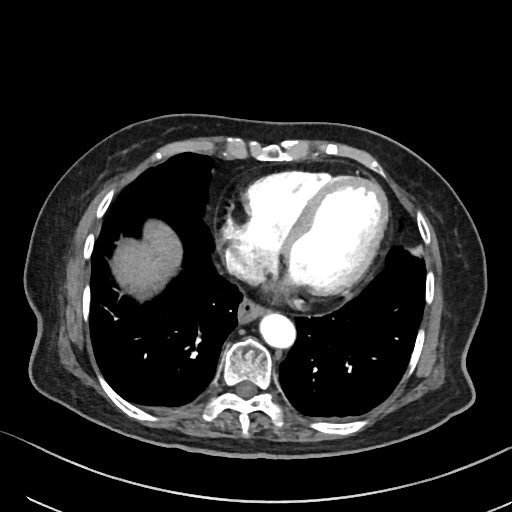
CT abdomen. axial plane, index 212. W/L 400/40 HU
Boxes: x1 y1 x2 y2 (pixel coords, space-separated).
esophagus: 237 301 264 324
liver: 114 222 180 289
aorta: 261 314 296 349
inferior vena cava: 225 244 260 279